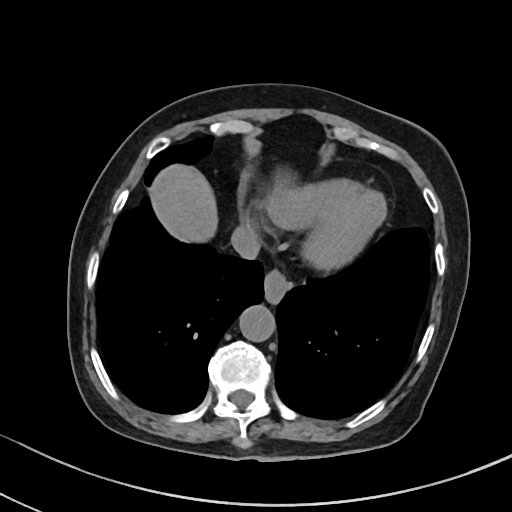
Abdominal CT; axial view; scan has 15 labeled organs (counted over the whole 3D scan, not this slice; an organ is boxed only where this slice passes through it)
Bounding boxes as [x1, y1, x2, y2] in pixel coordinates. 4 labeled organs on this slice — esophagus at [263, 271, 290, 302]; liver at [148, 163, 301, 241]; aorta at [239, 304, 275, 341]; inferior vena cava at [230, 226, 259, 259].